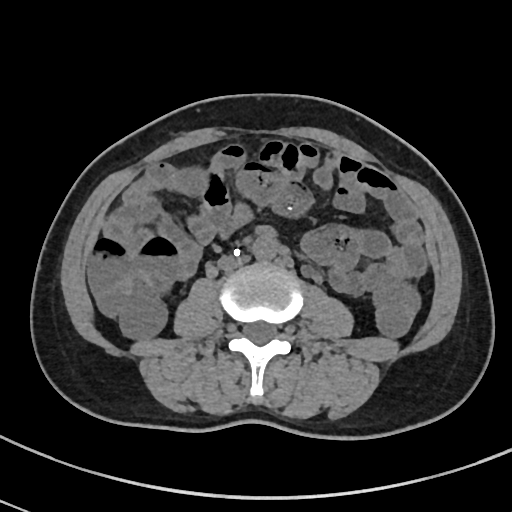 Computed tomography, abdomen; axial plane, index 115; 512x512 px
One row per box, in pixels: columns x1 and y1 give the top-left corner, x2 and y2 the bottom-right.
| organ | x1 | y1 | x2 | y2 |
|---|---|---|---|---|
| inferior vena cava | 218 | 255 | 248 | 271 |
| aorta | 251 | 233 | 278 | 261 |